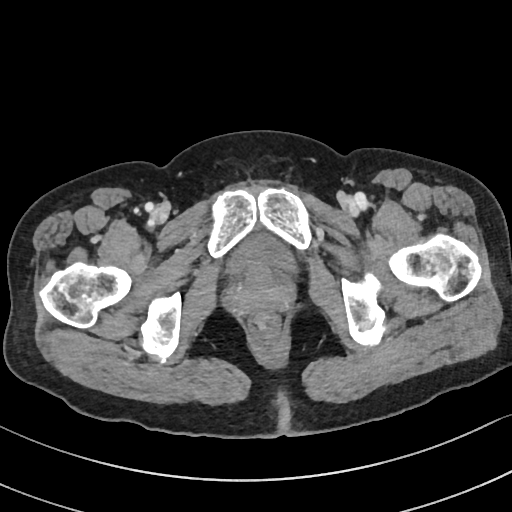

CT abdomen · axial view · 14 organs annotated in this scan (that count is for the whole scan; organs this slice misses have no box)
Boxes are (x1, y1, x2, y2) in pixels.
bladder: (228, 234, 296, 274)